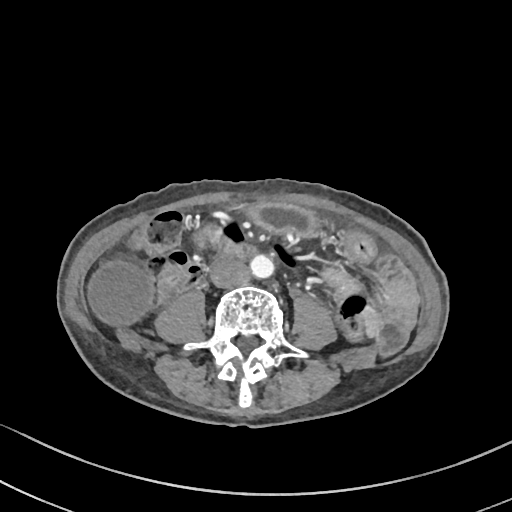 CT, abdomen/pelvis · axial view · soft-tissue window · 512x512 px · SOMATOM Force scanner · scan has 15 labeled organs (counted over the whole 3D scan, not this slice; an organ is boxed only where this slice passes through it)
Boxes: x1:y1:x2:y2 in pixels.
Organ bounding boxes:
- gall bladder: 88:262:150:326
- stomach: 247:203:314:235
- aorta: 250:254:274:277
- inferior vena cava: 211:259:250:288
- duodenum: 194:226:254:258